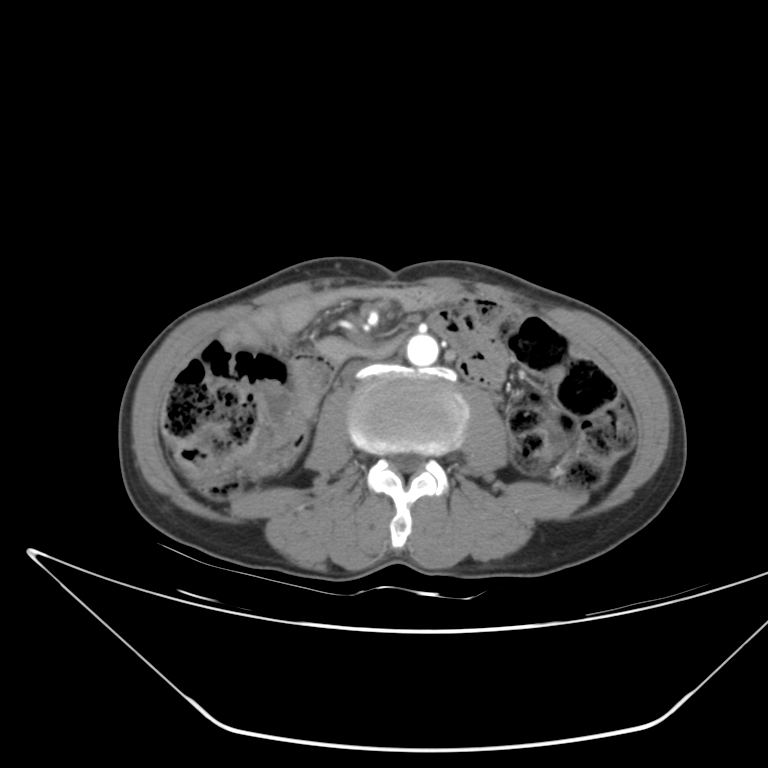 CT abdomen; axial view; abdomen soft-tissue window; acquired on Brilliance16; scan has 13 labeled organs (counted over the whole 3D scan, not this slice; an organ is boxed only where this slice passes through it)
Coordinates as <box>x1,y1,x2,y2</box> in pixels.
Organ bounding boxes:
- aorta: <box>406,333,438,366</box>
- inferior vena cava: <box>344,362,370,379</box>